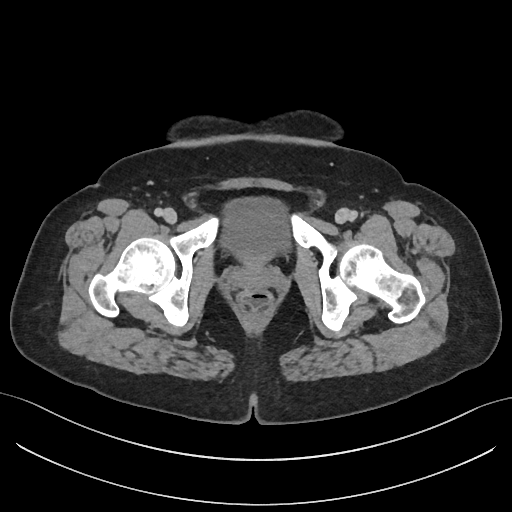 CT abdomen. axial view. soft-tissue window. 512x512 px
Coordinates as <box>x1,y1,x2,y2</box> in pixels.
Organ bounding boxes:
- bladder: <box>221,197,288,263</box>